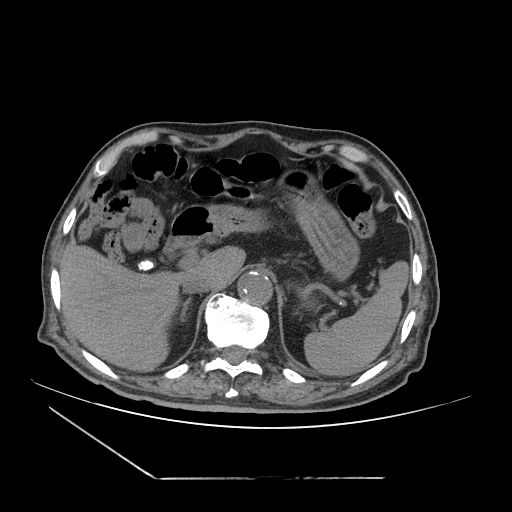 CT, abdomen/pelvis; axial plane, index 148; acquired on SOMATOM Force
{"organs":{"aorta":[238,271,272,305],"duodenum":[164,205,214,254],"liver":[60,244,245,371],"spleen":[304,261,408,376],"inferior vena cava":[182,276,212,293],"gall bladder":[137,260,155,271],"stomach":[202,169,359,281],"right adrenal gland":[180,297,191,321]}}